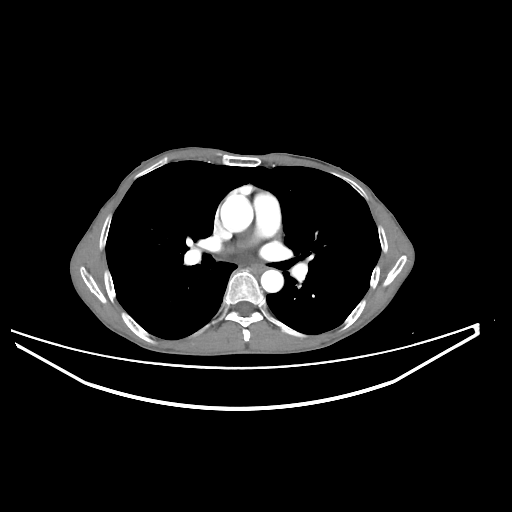 Chest-level slice from an abdominal CT that extends up into the chest · axial view · W/L 400/40 HU · 60-year-old male patient
At this level of the chest no structure but the esophagus and the aorta has a label in this dataset, and those two are boxed only where they are labeled.
<organs><organ name="esophagus" x1="253" y1="264" x2="266" y2="272"/><organ name="aorta" x1="220" y1="195" x2="253" y2="232"/><organ name="aorta" x1="261" y1="269" x2="283" y2="292"/></organs>